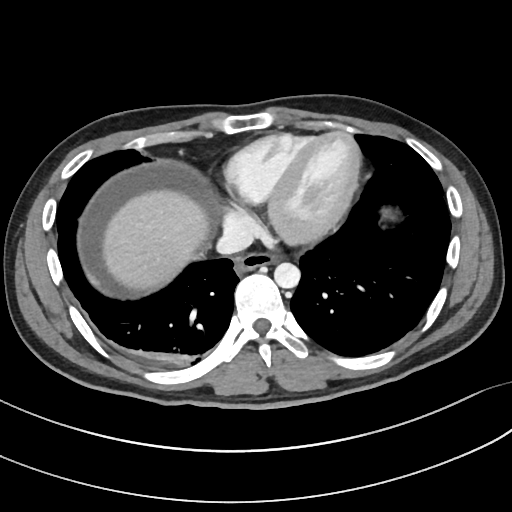 CT abdomen. axial plane, index 229. abdomen soft-tissue window
<organs><organ name="esophagus" x1="235" y1="253" x2="277" y2="274"/><organ name="liver" x1="102" y1="189" x2="209" y2="292"/><organ name="aorta" x1="274" y1="262" x2="300" y2="288"/><organ name="inferior vena cava" x1="216" y1="225" x2="253" y2="254"/></organs>